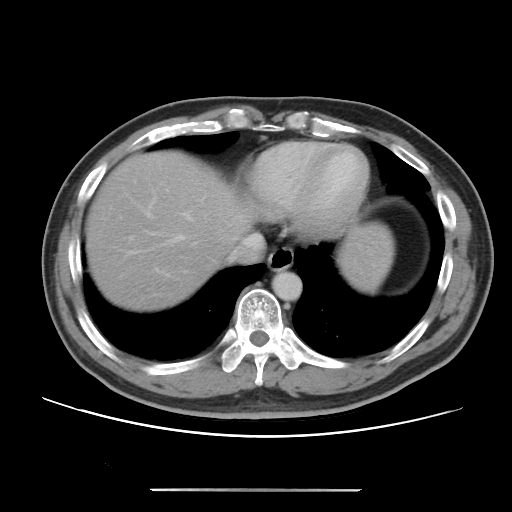

Abdominal CT. axial plane, index 89. 512x512 px
{"organs":{"esophagus":[268,247,293,271],"inferior vena cava":[225,232,265,264],"aorta":[272,271,302,300],"liver":[85,151,394,311]}}